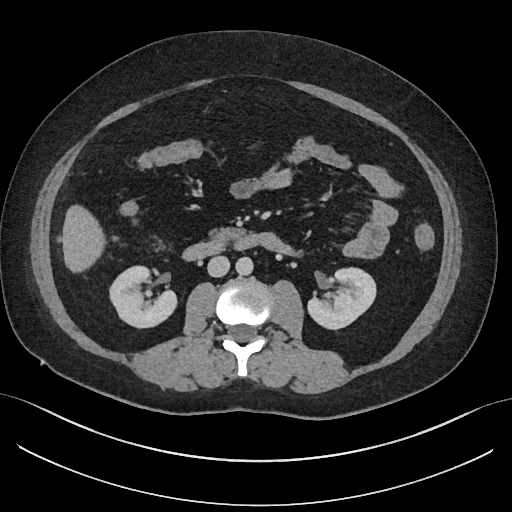
CT abdomen. axial view. soft-tissue window. 512x512 px. acquired on SOMATOM Force
<organs><organ name="right kidney" x1="110" y1="266" x2="176" y2="328"/><organ name="left kidney" x1="306" y1="268" x2="376" y2="330"/><organ name="liver" x1="62" y1="205" x2="103" y2="272"/><organ name="aorta" x1="235" y1="257" x2="252" y2="275"/><organ name="inferior vena cava" x1="207" y1="256" x2="229" y2="277"/><organ name="pancreas" x1="207" y1="227" x2="241" y2="249"/><organ name="duodenum" x1="181" y1="234" x2="259" y2="260"/></organs>